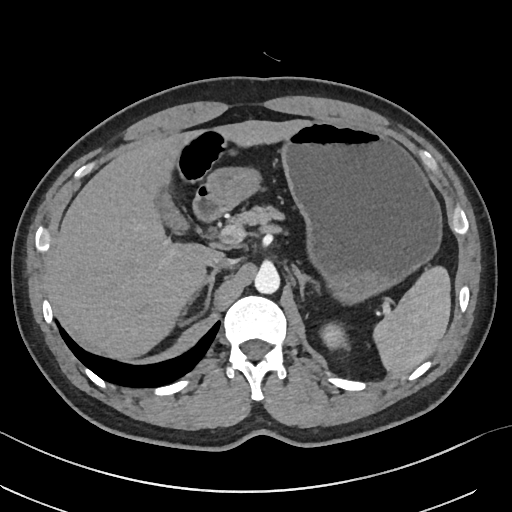 Computed tomography, abdomen. axial view. abdomen soft-tissue window
Bounding boxes in pixels, one row per box: x1, y1 is the top-left corner and x2, y2 the bottom-right.
| organ | x1 | y1 | x2 | y2 |
|---|---|---|---|---|
| stomach | 204 | 119 | 442 | 303 |
| inferior vena cava | 207 | 253 | 235 | 270 |
| left kidney | 323 | 326 | 344 | 346 |
| gall bladder | 153 | 193 | 186 | 232 |
| duodenum | 194 | 184 | 226 | 222 |
| left adrenal gland | 293 | 267 | 317 | 301 |
| aorta | 254 | 266 | 280 | 294 |
| spleen | 374 | 268 | 450 | 376 |
| liver | 51 | 120 | 308 | 358 |
| right adrenal gland | 182 | 270 | 217 | 325 |
| pancreas | 231 | 207 | 284 | 224 |